Abdominal MR. axial view. 1st–99th percentile window
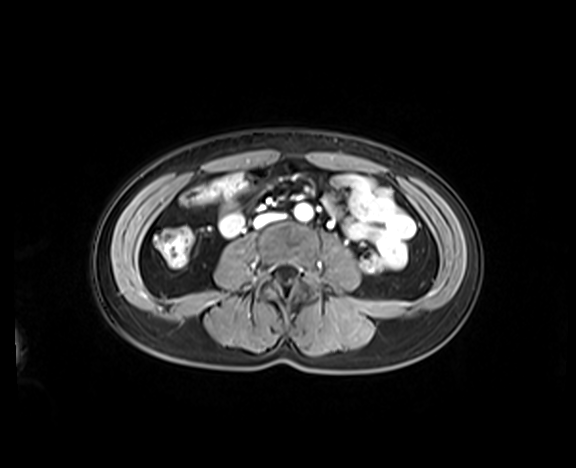 <organs><organ name="inferior vena cava" x1="254" y1="213" x2="281" y2="227"/><organ name="aorta" x1="295" y1="203" x2="312" y2="220"/></organs>